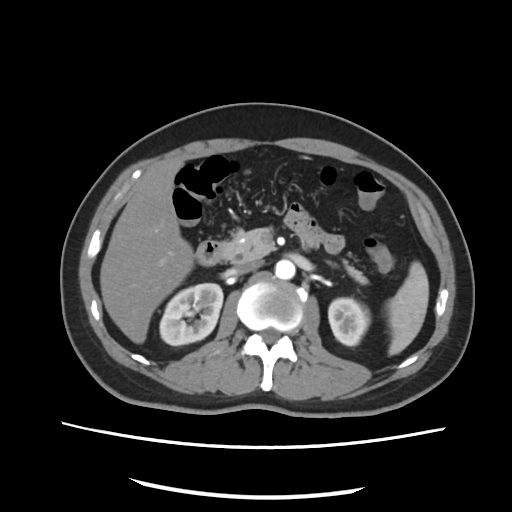 CT abdomen — axial view — 15 organs annotated in this scan (that count is for the whole scan; organs this slice misses have no box)
Each box given as x1,y1,x2,y2.
Organ bounding boxes:
- spleen: x1=387, y1=261, x2=428, y2=354
- right kidney: x1=159, y1=282, x2=223, y2=345
- left kidney: x1=328, y1=298, x2=369, y2=345
- liver: x1=99, y1=158, x2=194, y2=343
- aorta: x1=276, y1=259, x2=296, y2=279
- inferior vena cava: x1=228, y1=261, x2=261, y2=274
- pancreas: x1=221, y1=227, x2=369, y2=283
- left adrenal gland: x1=326, y1=261, x2=335, y2=265
- duodenum: x1=195, y1=241, x2=220, y2=265